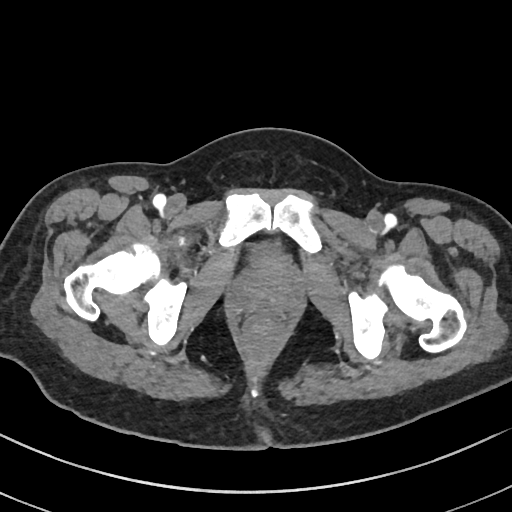

Abdominal CT. axial view. abdomen soft-tissue window. 15 organs annotated in this scan (counted over the whole 3D scan, not this slice; an organ is boxed only where this slice passes through it)
Bounding boxes as [x1, y1, x2, y2] in pixel coordinates.
bladder: [248, 239, 291, 264]